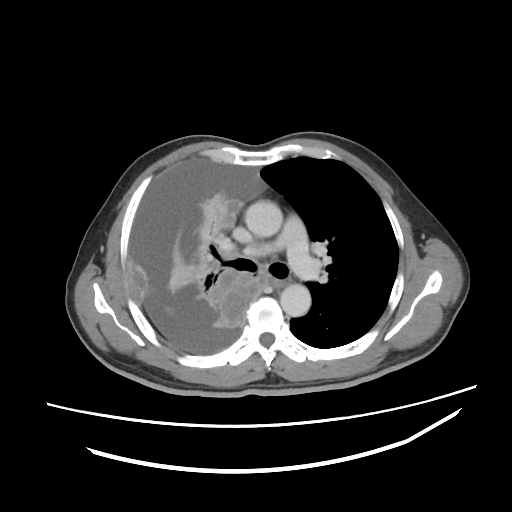 Abdominal CT reaching into the chest; this slice is in the chest. axial view. Aquilion ONE scanner
At this level of the chest this dataset labels only the esophagus and the aorta, and each is boxed only where it is labeled; the heart and lungs are never labeled.
Bounding boxes as [x1, y1, x2, y2] in pixel coordinates.
esophagus: [270, 278, 287, 288]
aorta: [245, 200, 282, 237]
aorta: [280, 284, 311, 316]